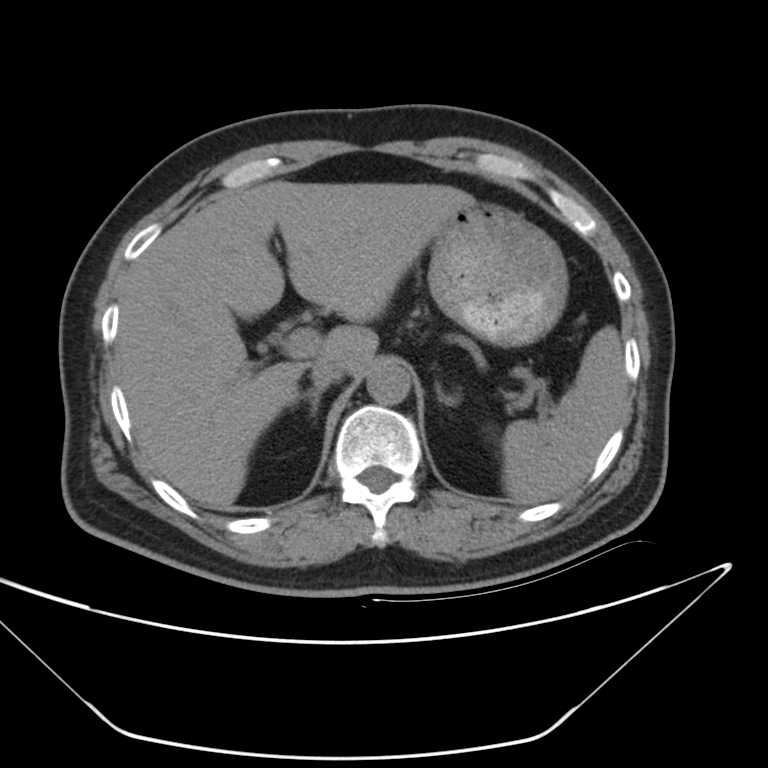 CT abdomen — axial plane, index 80 — 768x768 px
Bounding boxes as [x1, y1, x2, y2] in pixel coordinates.
Organ bounding boxes:
- inferior vena cava: [307, 352, 348, 387]
- left adrenal gland: [434, 381, 455, 407]
- stomach: [432, 202, 568, 350]
- right adrenal gland: [295, 382, 328, 415]
- liver: [117, 181, 474, 510]
- aorta: [366, 364, 411, 404]
- spleen: [501, 325, 629, 504]